Computed tomography, abdomen — Axial slice 168/232 — soft-tissue window
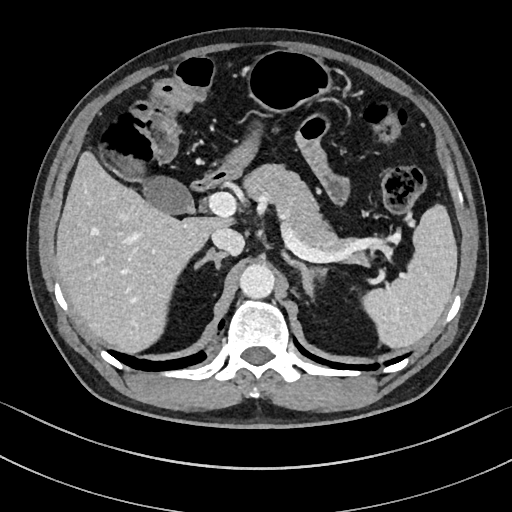 Coordinates as <box>x1,y1,x2,y2</box> in pixels.
Organ bounding boxes:
- spleen: <box>363,206,457,349</box>
- gall bladder: <box>110,152,194,213</box>
- liver: <box>55,149,237,353</box>
- stomach: <box>228,49,332,167</box>
- aorta: <box>240,264,274,299</box>
- inferior vena cava: <box>211,228,244,255</box>
- pancreas: <box>246,165,364,263</box>
- right adrenal gland: <box>194,251,227,269</box>
- left adrenal gland: <box>283,252,327,297</box>
- duodenum: <box>192,157,244,190</box>